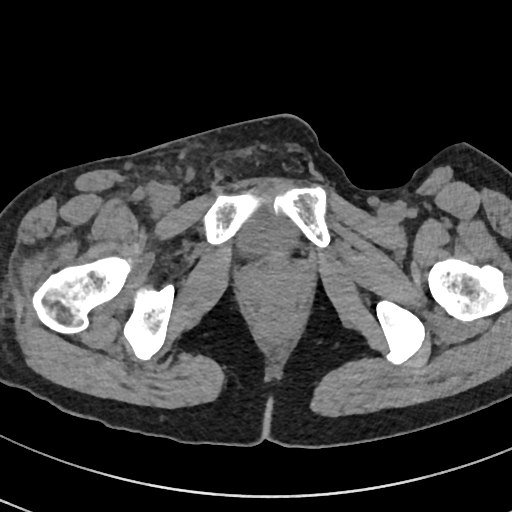 Abdominal CT · Axial slice 11/218 · soft-tissue window · acquired on SOMATOM Force
<organs><organ name="bladder" x1="236" y1="212" x2="300" y2="254"/></organs>